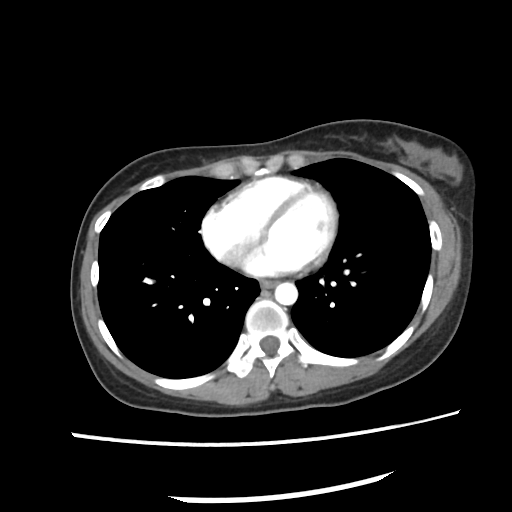

CT of the abdomen reaching into the lower chest, slice just above the liver and spleen; axial plane, index 89; soft-tissue window; scan has 15 labeled organs (counted over the whole 3D scan, not this slice; an organ is boxed only where this slice passes through it)
Of the structures in the chest, this dataset labels only the esophagus, the aorta and the inferior vena cava; the heart and lungs have no label. Boxes are (x1, y1, x2, y2) in pixels. The annotated organs in this slice are: aorta at (275, 282, 298, 304), esophagus at (261, 280, 279, 289).